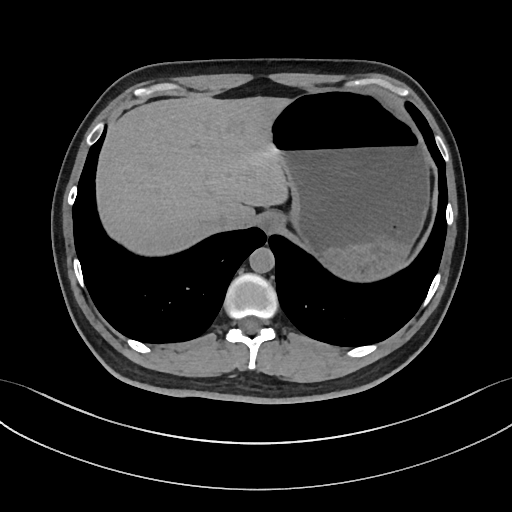

Abdominal CT — axial view — abdomen soft-tissue window — 512x512 px — SOMATOM Force scanner
Coordinates as <box>x1,y1,x2,y2</box> in pixels.
Organ bounding boxes:
- esophagus: <box>258,211,283,233</box>
- liver: <box>97,94,290,255</box>
- stomach: <box>271,90,429,280</box>
- aorta: <box>249,247,274,272</box>
- inferior vena cava: <box>212,213,228,229</box>